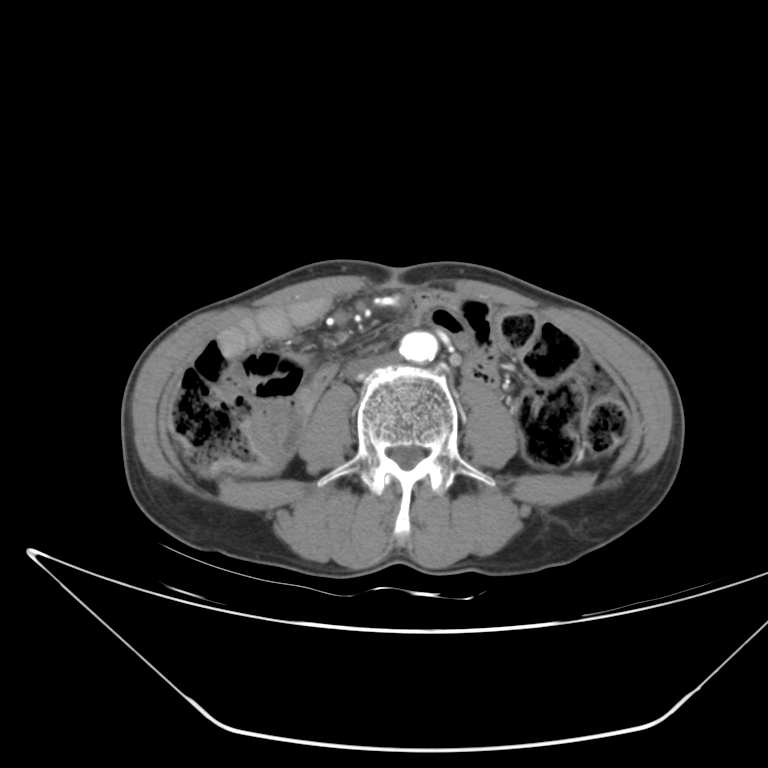
Abdominal CT. axial view. soft-tissue window (W 400 / L 40). 768x768 px. 62-year-old male patient
One row per box, in pixels: columns x1 and y1 give the top-left corner, x2 and y2 the bottom-right.
| organ | x1 | y1 | x2 | y2 |
|---|---|---|---|---|
| aorta | 399 | 331 | 438 | 362 |
| inferior vena cava | 345 | 353 | 396 | 378 |